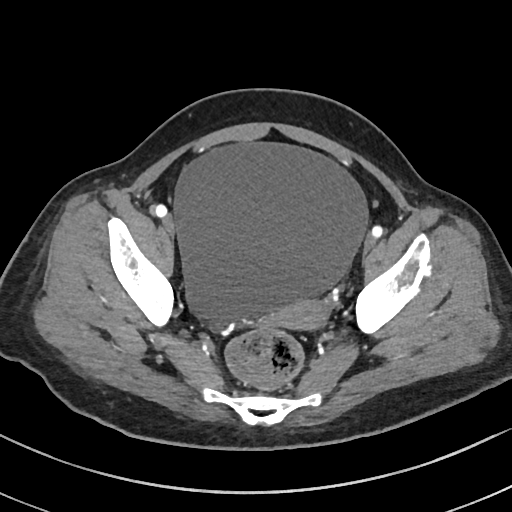

CT abdomen. axial plane, index 40. W/L 400/40 HU. 512x512 px
Box edges are left/top/right/bottom in pixels.
bladder: left=176, top=143, right=369, bottom=321
prostate/uterus: left=278, top=299, right=327, bottom=327